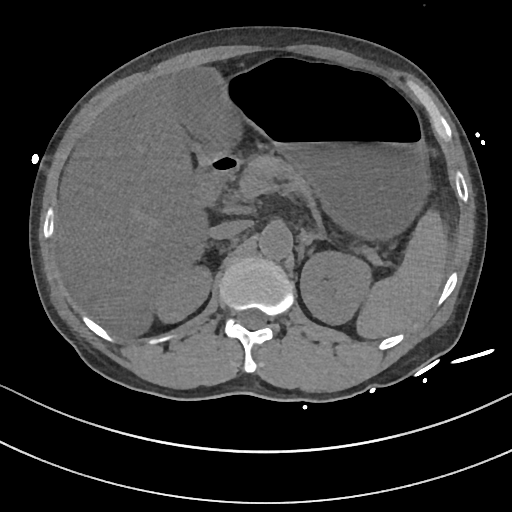
Computed tomography, abdomen — Axial slice 175/252 — 512x512 px — acquired on SOMATOM Force
<organs><organ name="spleen" x1="357" y1="209" x2="447" y2="338"/><organ name="right kidney" x1="155" y1="264" x2="211" y2="323"/><organ name="left kidney" x1="300" y1="249" x2="373" y2="325"/><organ name="gall bladder" x1="176" y1="68" x2="232" y2="159"/><organ name="liver" x1="57" y1="75" x2="206" y2="334"/><organ name="stomach" x1="227" y1="66" x2="426" y2="236"/><organ name="aorta" x1="259" y1="222" x2="292" y2="258"/><organ name="inferior vena cava" x1="207" y1="220" x2="249" y2="239"/><organ name="pancreas" x1="240" y1="156" x2="315" y2="206"/><organ name="right adrenal gland" x1="209" y1="242" x2="211" y2="244"/><organ name="left adrenal gland" x1="299" y1="229" x2="327" y2="256"/><organ name="duodenum" x1="187" y1="146" x2="239" y2="209"/></organs>